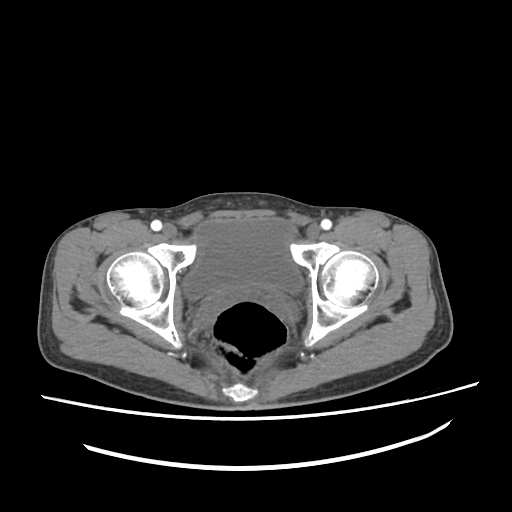
Computed tomography, abdomen — Axial slice 20/133 — abdomen soft-tissue window — 512x512 px
Boxes are (x1, y1, x2, y2) in pixels.
bladder: (185, 218, 301, 298)